Chest-level slice from an abdominal CT that extends up into the chest; axial view; 512x512 px; 45-year-old male patient
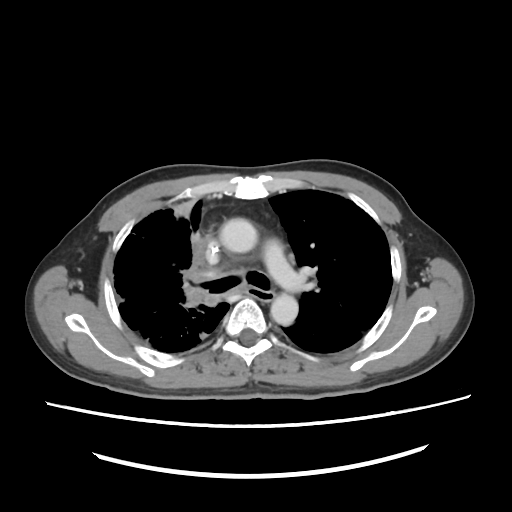
On a slice this high in the chest, this dataset labels only the esophagus and the aorta, and each is boxed only where it is labeled; the heart, lungs and other chest structures are not labeled.
Organ boxes in pixel coordinates; each row gives the top-left (x1, y1) and bottom-right (x2, y2) corners.
| organ | x1 | y1 | x2 | y2 |
|---|---|---|---|---|
| aorta | 216 | 218 | 257 | 253 |
| aorta | 270 | 294 | 299 | 328 |